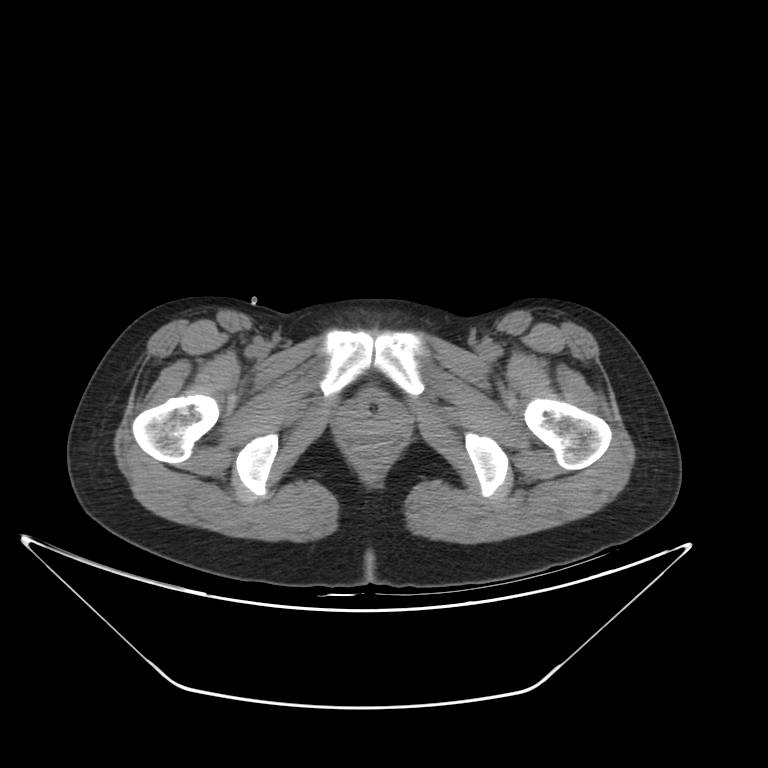 Abdominal CT. Axial slice 12/99. 768x768 px
{"organs":{"bladder":[357,388,388,416]}}